Magnetic resonance imaging, abdomen · coronal acquisition · 13 organs annotated in this scan (that count is for the whole scan; organs this slice misses have no box)
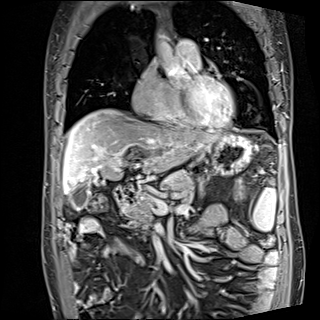

Boxes are (x1, y1, x2, y2) in pixels.
Organ bounding boxes:
- spleen: (252, 187, 276, 231)
- gall bladder: (69, 184, 88, 211)
- liver: (63, 109, 220, 193)
- stomach: (211, 134, 252, 174)
- aorta: (151, 35, 172, 51)
- pancreas: (121, 170, 194, 236)
- duodenum: (114, 187, 135, 206)